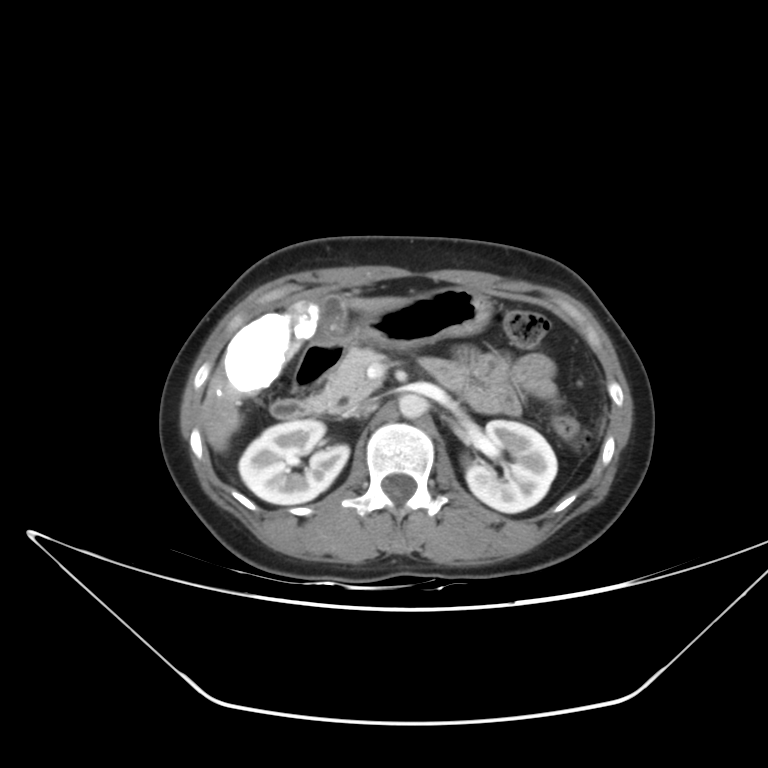 CT abdomen; axial view
{"organs":{"pancreas":[303,347,382,414],"gall bladder":[315,295,344,342],"liver":[201,296,406,451],"inferior vena cava":[343,400,378,416],"duodenum":[270,341,467,419],"left kidney":[465,420,557,512],"right kidney":[238,419,349,504],"stomach":[324,287,492,349],"aorta":[399,393,427,418]}}